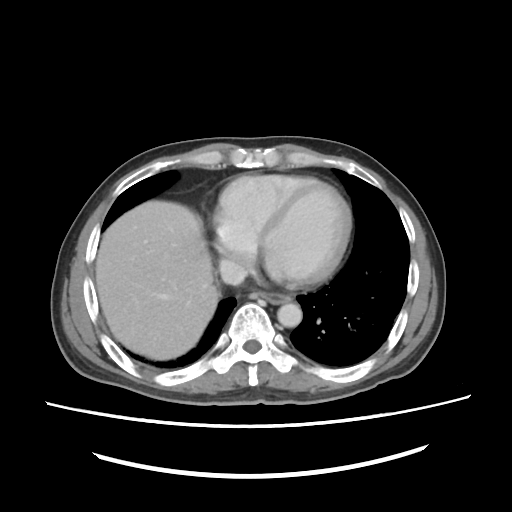 Computed tomography, abdomen; axial view; 45-year-old male patient; acquired on Aquilion ONE
Boxes: x1 y1 x2 y2 (pixel coords, space-separated).
esophagus: 260 292 290 303
liver: 96 201 216 356
inferior vena cava: 220 260 245 284
aorta: 278 305 302 327